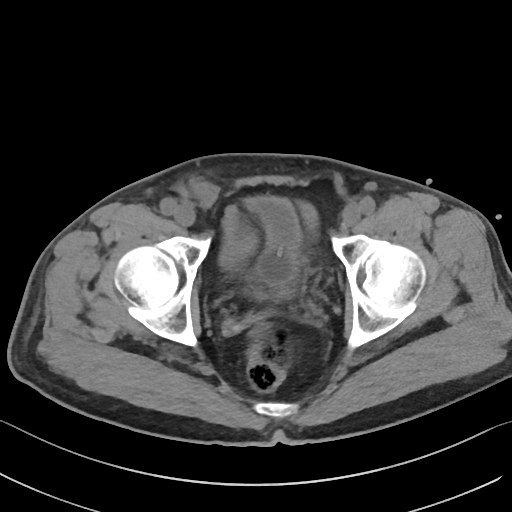

Computed tomography, abdomen; axial view; W/L 400/40 HU; 512x512 px; SOMATOM Force scanner
Coordinates as <box>x1,y1,x2,y2</box> in pixels.
bladder: <box>245,197,300,285</box>